CT, abdomen/pelvis · Axial slice 155/224 · W/L 400/40 HU
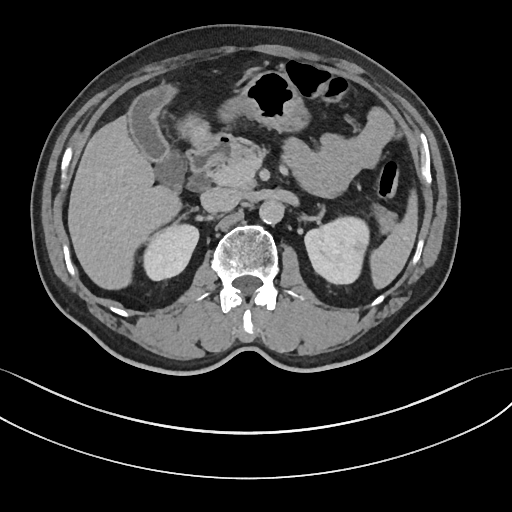 Boxes: x1:y1:x2:y2 in pixels. 10 labeled organs on this slice — inferior vena cava at 200:187:240:212; stomach at 222:70:311:133; aorta at 259:201:283:225; left kidney at 305:217:368:284; duodenum at 190:134:233:173; right kidney at 144:224:197:279; spleen at 370:192:418:289; gall bladder at 128:86:185:184; pancreas at 223:140:392:233; liver at 67:114:214:291.